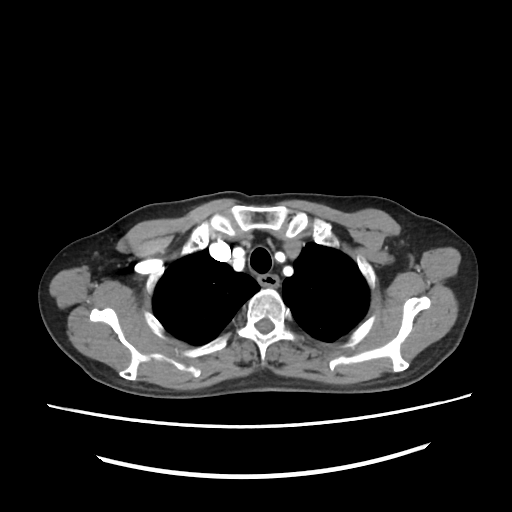
Chest-level slice from an abdominal CT that extends up into the chest. Axial slice 123/132. 512x512 px. 67-year-old male patient. acquired on Aquilion ONE
At this level of the chest this dataset labels only the esophagus and the aorta, and each is boxed only where it is labeled; the heart and lungs are never labeled.
{"organs":{"esophagus":[259,276,279,287]}}